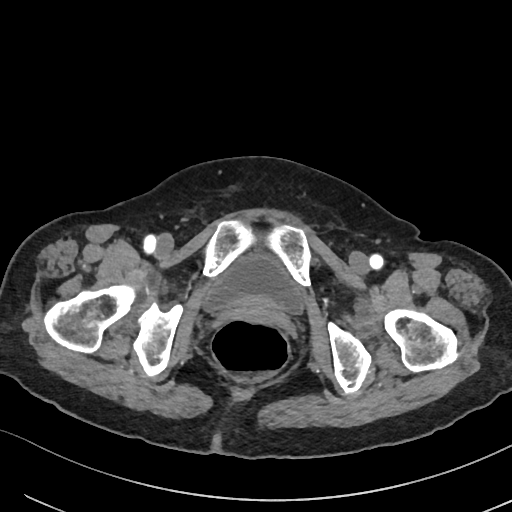
Computed tomography, abdomen · axial plane, index 28 · 15 organs annotated in this scan (a whole-scan count: organs this slice does not pass through have no box)
Boxes: x1:y1:x2:y2 in pixels.
bladder: 203:254:303:313